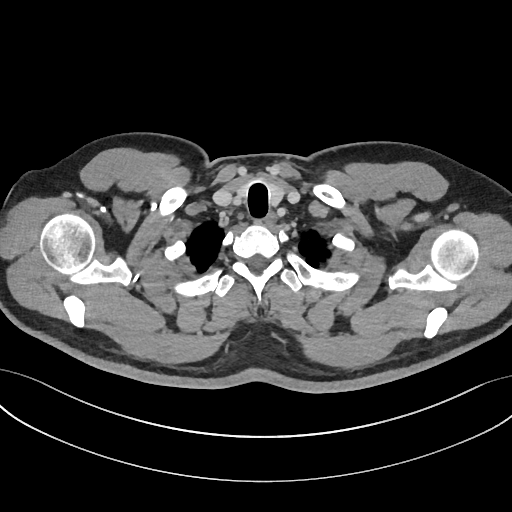
Chest-level CT slice, above the liver and spleen — axial view — 15 organs annotated in this scan (a whole-scan count: organs this slice does not pass through have no box)
At this level of the chest this dataset labels only the esophagus and the aorta, and each is boxed only where it is labeled; the heart and lungs are never labeled.
One row per box, in pixels: columns x1 and y1 give the top-left corner, x2 and y2 the bottom-right.
| organ | x1 | y1 | x2 | y2 |
|---|---|---|---|---|
| esophagus | 265 | 214 | 275 | 225 |